CT, abdomen/pelvis · axial view · soft-tissue window (W 400 / L 40)
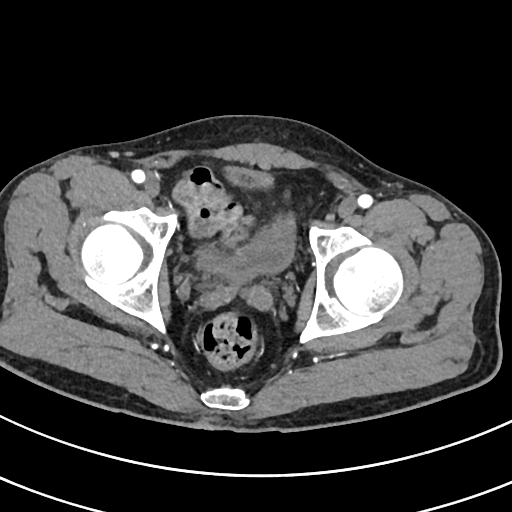 {"organs":{"bladder":[200,167,295,278]}}